CT abdomen — axial view — soft-tissue window (W 400 / L 40) — 512x512 px — SOMATOM Force scanner
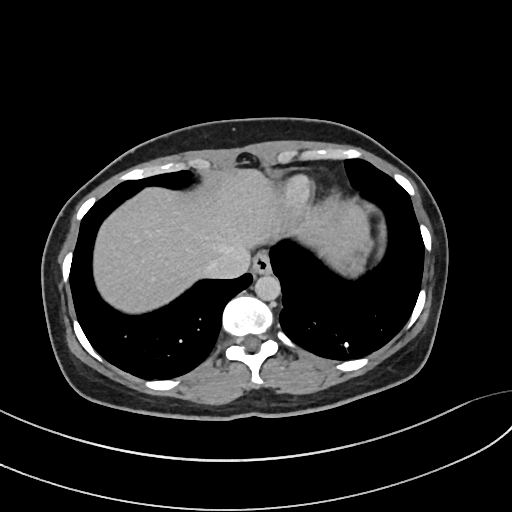

Bounding boxes as [x1, y1, x2, y2] in pixel coordinates.
esophagus: [252, 252, 271, 274]
liver: [94, 169, 368, 313]
stomach: [336, 237, 372, 276]
aorta: [255, 274, 280, 300]
inferior vena cava: [203, 247, 250, 278]